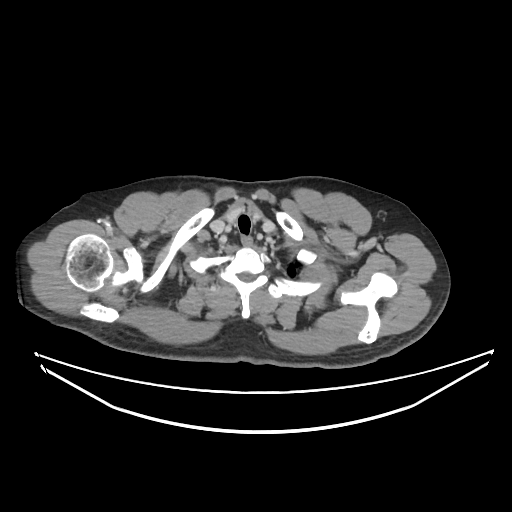 CT of the abdomen extending into the chest, slice through the chest · axial plane, index 127 · soft-tissue window · 40-year-old male patient · Aquilion ONE scanner · scan has 15 labeled organs (a whole-scan count: organs this slice does not pass through have no box)
At this level of the chest no structure but the esophagus and the aorta has a label in this dataset, and those two are boxed only where they are labeled.
Each box given as x1,y1,x2,y2.
Organ bounding boxes:
- esophagus: x1=241, y1=236, x2=254, y2=245